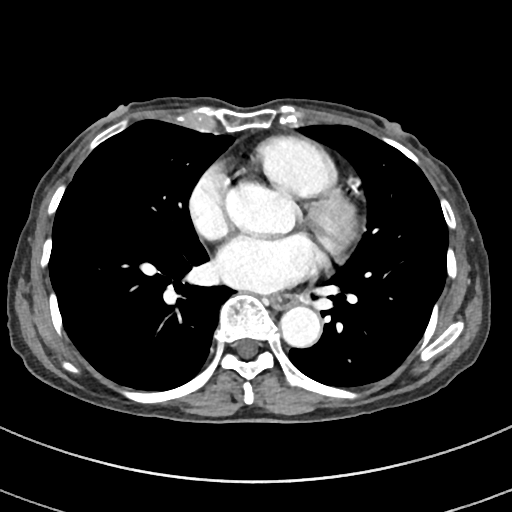
Lower-chest slice from an abdominal CT, just above the liver and spleen; axial view; 512x512 px
No part of the heart or lungs is labeled in this dataset, so neither has a box here.
Box edges are left/top/right/bottom in pixels.
Organ bounding boxes:
- aorta: left=224, top=183, right=296, bottom=235
- aorta: left=280, top=306, right=321, bottom=347
- esophagus: left=270, top=294, right=295, bottom=308